CT, abdomen/pelvis. axial plane, index 35. soft-tissue window (W 400 / L 40). 40-year-old male patient
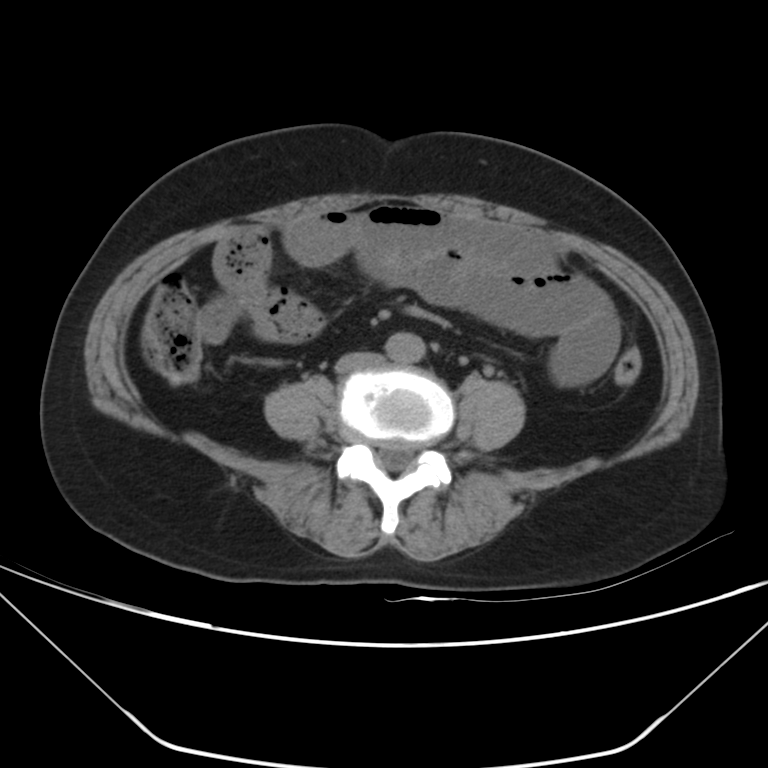 Boxes are (x1, y1, x2, y2) in pixels.
aorta: (385, 332, 425, 362)
inferior vena cava: (335, 352, 381, 372)